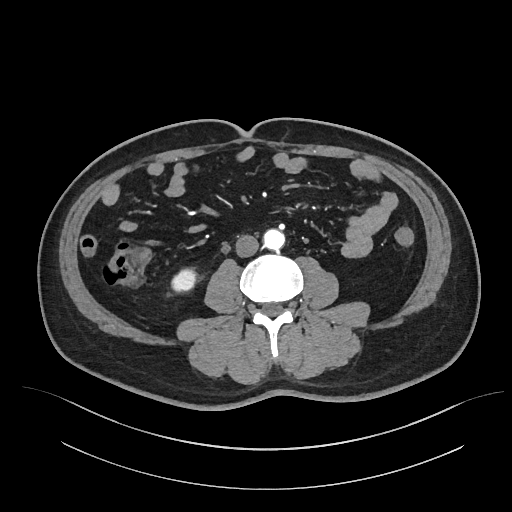 CT, abdomen/pelvis · axial view · W/L 400/40 HU · 512x512 px
Boxes: x1:y1:x2:y2 in pixels.
right kidney: 171:268:195:292
aorta: 263:229:284:250
inferior vena cava: 235:234:259:257